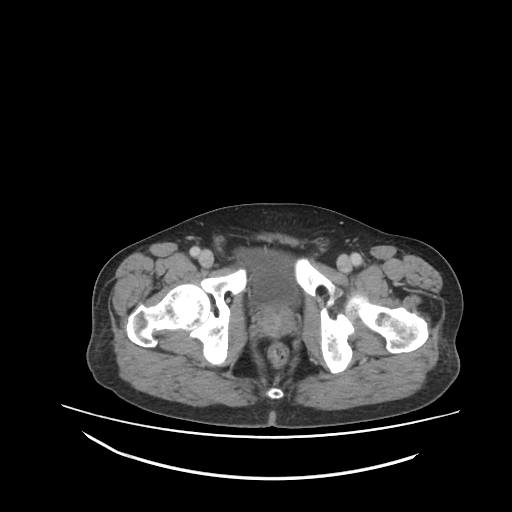
CT, abdomen/pelvis — axial plane, index 6 — 15 organs annotated in this scan (counted over the whole 3D scan, not this slice; an organ is boxed only where this slice passes through it)
Bounding boxes as [x1, y1, x2, y2] in pixel coordinates.
Organ bounding boxes:
- bladder: [239, 246, 301, 308]
- prostate/uterus: [258, 306, 292, 338]